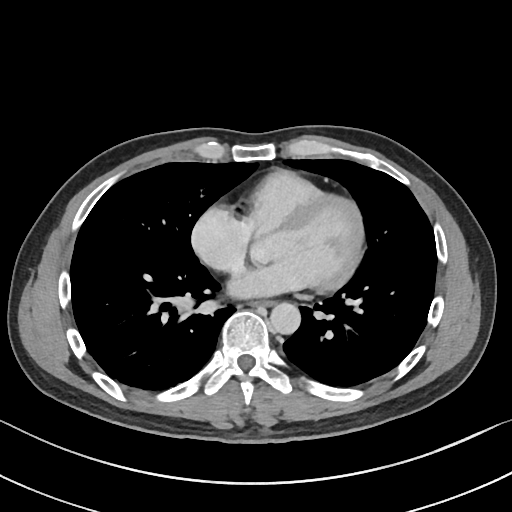
Abdominal CT; this slice is in the lower chest, just above the liver; axial view
The heart and lungs are never labeled in this dataset, so they have no box on this slice.
<organs><organ name="esophagus" x1="252" y1="300" x2="274" y2="306"/><organ name="aorta" x1="270" y1="302" x2="300" y2="334"/></organs>